CT, abdomen/pelvis. axial view. 15 organs annotated in this scan (that count is for the whole scan; organs this slice misses have no box)
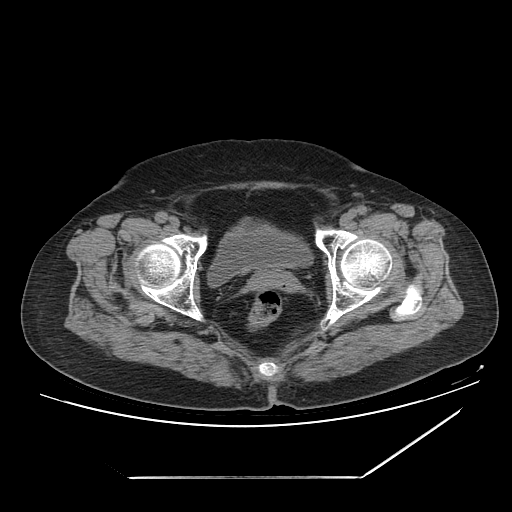 <organs><organ name="bladder" x1="208" y1="221" x2="312" y2="286"/><organ name="prostate/uterus" x1="249" y1="270" x2="289" y2="290"/></organs>